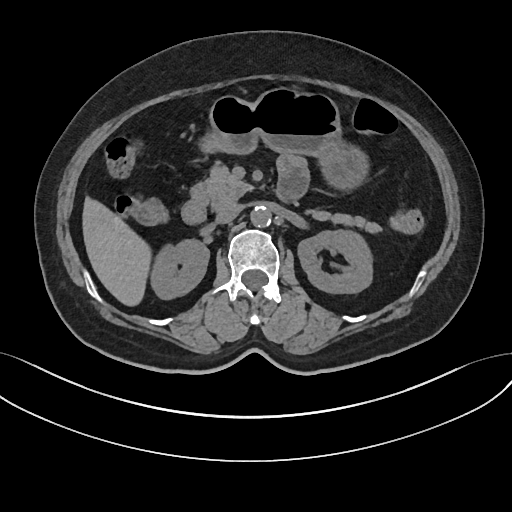
CT, abdomen/pelvis. axial plane, index 135. 512x512 px. scan has 15 labeled organs (counted over the whole 3D scan, not this slice; an organ is boxed only where this slice passes through it)
Boxes are (x1, y1, x2, y2) in pixels.
right kidney: (151, 239, 209, 299)
left kidney: (297, 230, 372, 293)
liver: (82, 196, 151, 306)
stomach: (199, 87, 368, 190)
aorta: (250, 206, 271, 227)
inferior vena cava: (215, 204, 242, 223)
pancreas: (190, 163, 381, 233)
duodenum: (181, 197, 206, 224)